Abdominal CT · axial view · abdomen soft-tissue window · scan has 14 labeled organs (that count is for the whole scan; organs this slice misses have no box)
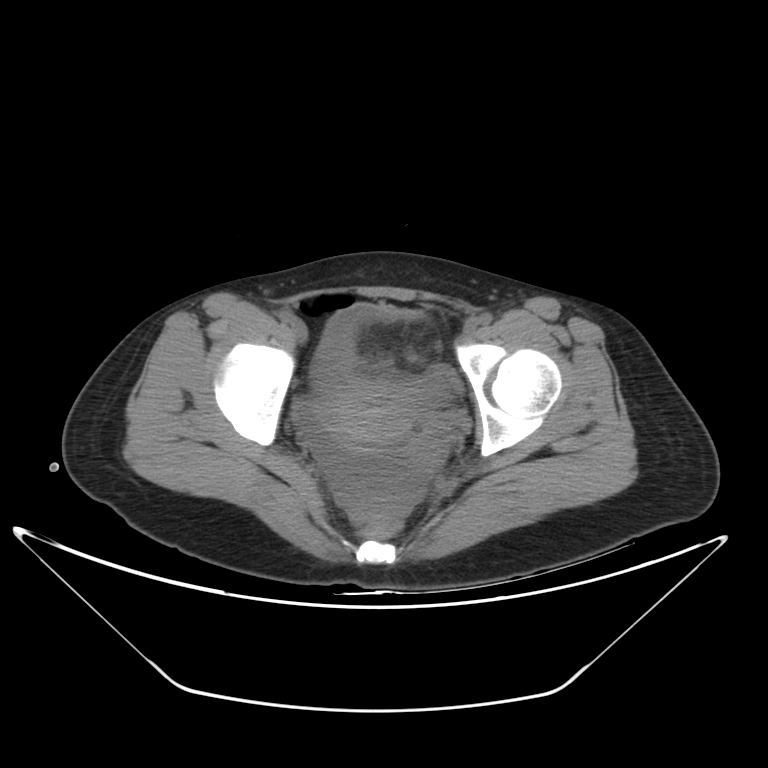

One row per box, in pixels: columns x1 and y1 give the top-left corner, x2 and y2 the bottom-right.
| organ | x1 | y1 | x2 | y2 |
|---|---|---|---|---|
| bladder | 312 | 305 | 420 | 390 |
| prostate/uterus | 320 | 378 | 415 | 445 |